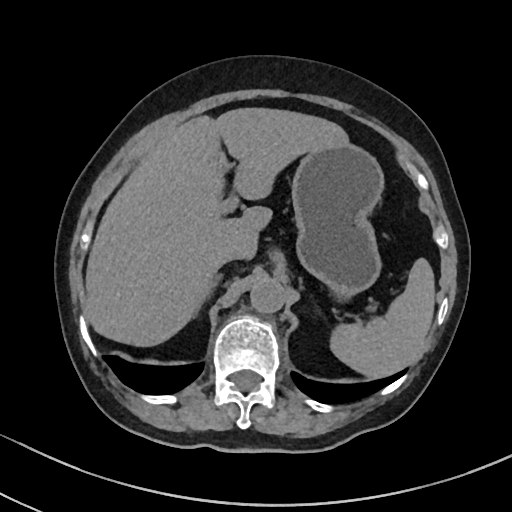 CT abdomen — axial plane, index 160 — soft-tissue window
Bounding boxes as [x1, y1, x2, y2] in pixel coordinates.
Organ bounding boxes:
- spleen: [330, 258, 435, 377]
- stomach: [291, 144, 384, 296]
- aorta: [250, 278, 284, 313]
- right adrenal gland: [211, 274, 222, 294]
- inferior vena cava: [217, 249, 242, 268]
- liver: [85, 108, 348, 346]